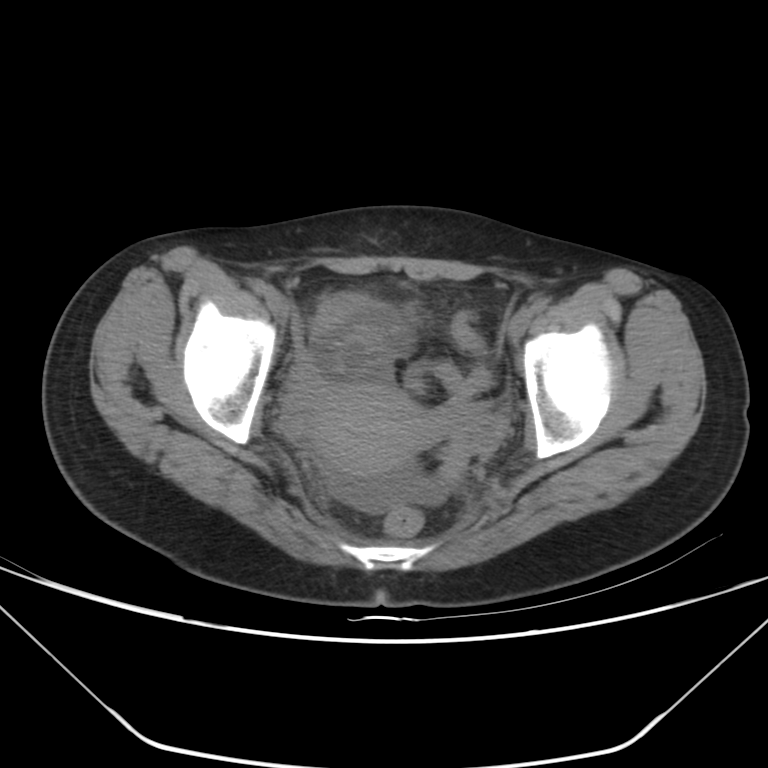

CT, abdomen/pelvis; axial plane, index 16; W/L 400/40 HU
<organs><organ name="prostate/uterus" x1="309" y1="384" x2="430" y2="478"/></organs>